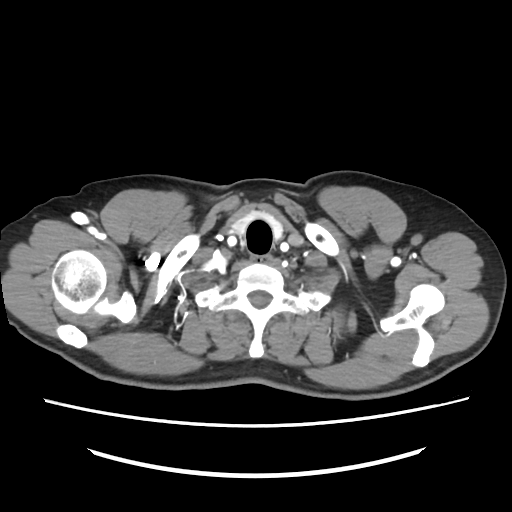
Chest-level CT slice, above the liver and spleen; axial plane, index 131; soft-tissue window; 46-year-old male patient
On a slice this high in the chest, this dataset labels only the esophagus and the aorta, and each is boxed only where it is labeled; the heart, lungs and other chest structures are not labeled.
<organs><organ name="esophagus" x1="250" y1="254" x2="271" y2="262"/></organs>